CT abdomen. axial view. W/L 400/40 HU. 512x512 px
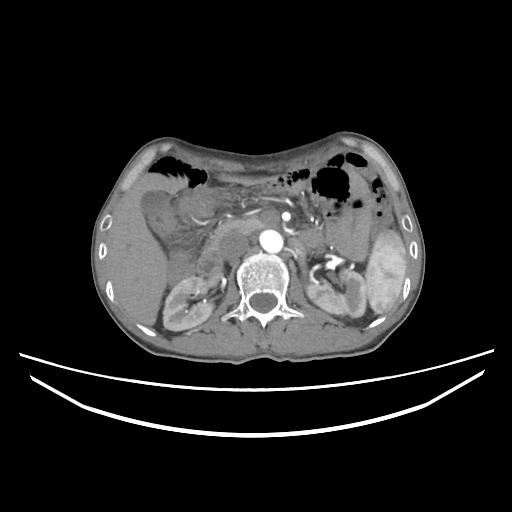

Each box given as x1,y1,x2,y2.
spleen: x1=364, y1=230, x2=406, y2=313
right kidney: x1=163, y1=276, x2=213, y2=330
left kidney: x1=306, y1=269, x2=366, y2=317
gall bladder: x1=141, y1=191, x2=171, y2=219
liver: x1=105, y1=173, x2=260, y2=325
aorta: x1=259, y1=230, x2=283, y2=252
inferior vena cava: x1=218, y1=232, x2=248, y2=260
pancreas: x1=207, y1=217, x2=263, y2=247
duodenum: x1=197, y1=232, x2=322, y2=274